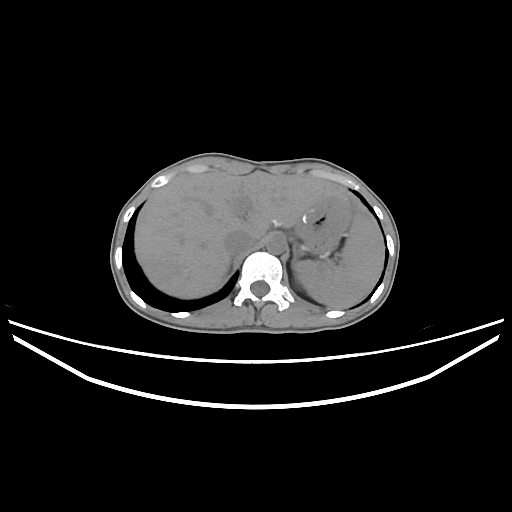

CT abdomen · Axial slice 74/85 · soft-tissue window
Bounding boxes in pixels, one row per box: x1, y1 is the top-left corner and x2, y2 the bottom-right.
| organ | x1 | y1 | x2 | y2 |
|---|---|---|---|---|
| stomach | 294 | 195 | 354 | 254 |
| spleen | 293 | 212 | 383 | 308 |
| liver | 134 | 170 | 355 | 298 |
| aorta | 266 | 236 | 285 | 254 |
| inferior vena cava | 224 | 230 | 255 | 255 |
| left adrenal gland | 291 | 246 | 303 | 265 |